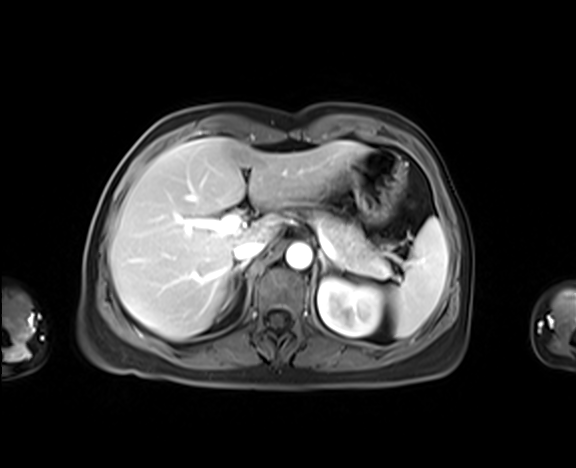

Magnetic resonance imaging, abdomen. axial view. scan has 13 labeled organs (a whole-scan count: organs this slice does not pass through have no box)
Bounding boxes as [x1, y1, x2, y2] in pixel coordinates.
left kidney: [318, 278, 383, 336]
spleen: [387, 217, 448, 337]
inferior vena cava: [233, 240, 266, 262]
left adrenal gland: [319, 251, 332, 272]
right adrenal gland: [230, 263, 244, 288]
stomach: [348, 148, 403, 222]
pancreas: [313, 211, 387, 277]
aorta: [285, 243, 311, 268]
liver: [109, 138, 367, 340]